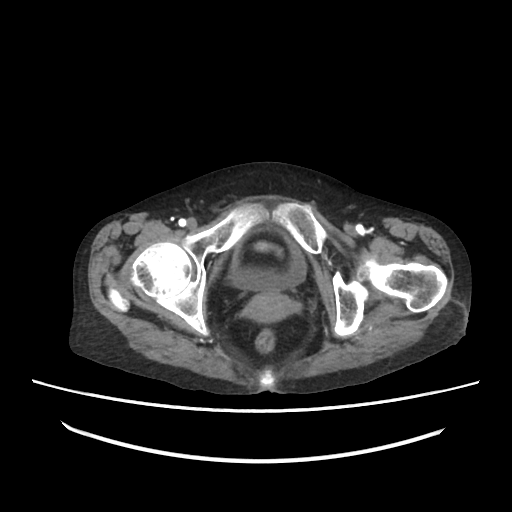

CT abdomen. axial plane, index 13. 61-year-old female patient
Each box given as x1,y1,x2,y2. 2 labeled organs on this slice — bladder at x1=232, y1=232, x2=306, y2=291; prostate/uterus at x1=244, y1=292, x2=303, y2=322.